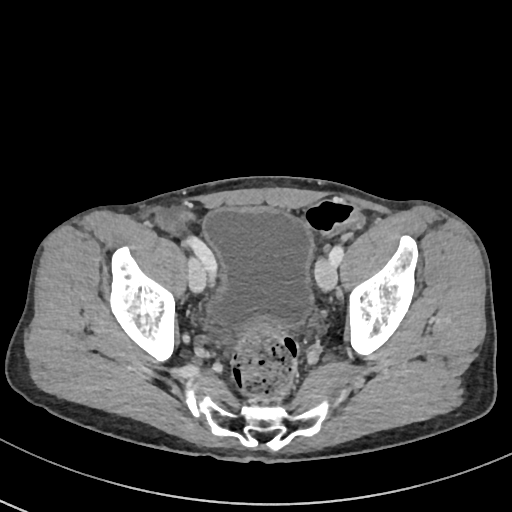
Computed tomography, abdomen · axial plane, index 58
Each box given as x1,y1,x2,y2.
Organ bounding boxes:
- bladder: x1=203, y1=207, x2=312, y2=325